CT of the abdomen extending into the chest, slice through the chest. axial view. 512x512 px
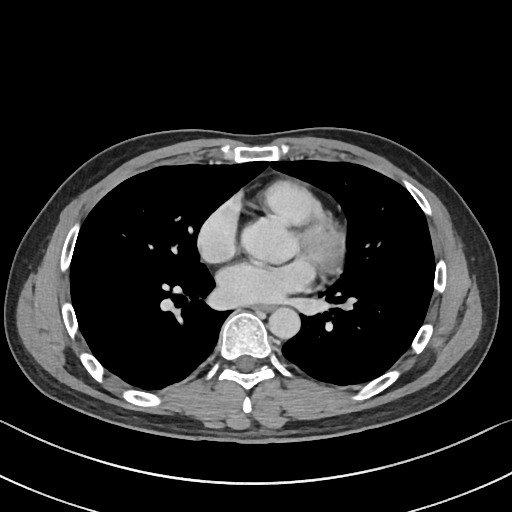
At this level of the chest no structure but the esophagus and the aorta has a label in this dataset, and those two are boxed only where they are labeled.
Coordinates as <box>x1,y1,x2,y2</box> in pixels.
esophagus: <box>254,305,272,312</box>
aorta: <box>268,307,300,338</box>